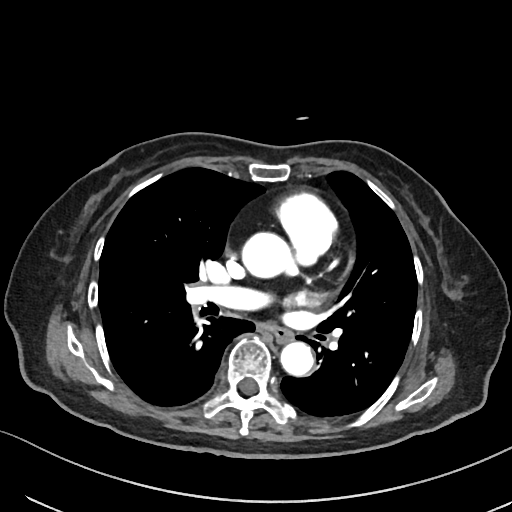
Lower-chest slice from an abdominal CT, just above the liver and spleen; axial plane, index 235; 15 organs annotated in this scan (counted over the whole 3D scan, not this slice; an organ is boxed only where this slice passes through it)
Of the structures in the chest, this dataset labels only the esophagus, the aorta and the inferior vena cava; the heart and lungs have no label.
Bounding boxes as [x1, y1, x2, y2] in pixel coordinates.
Organ bounding boxes:
- esophagus: [270, 326, 293, 342]
- aorta: [241, 232, 293, 278]
- aorta: [280, 342, 314, 376]